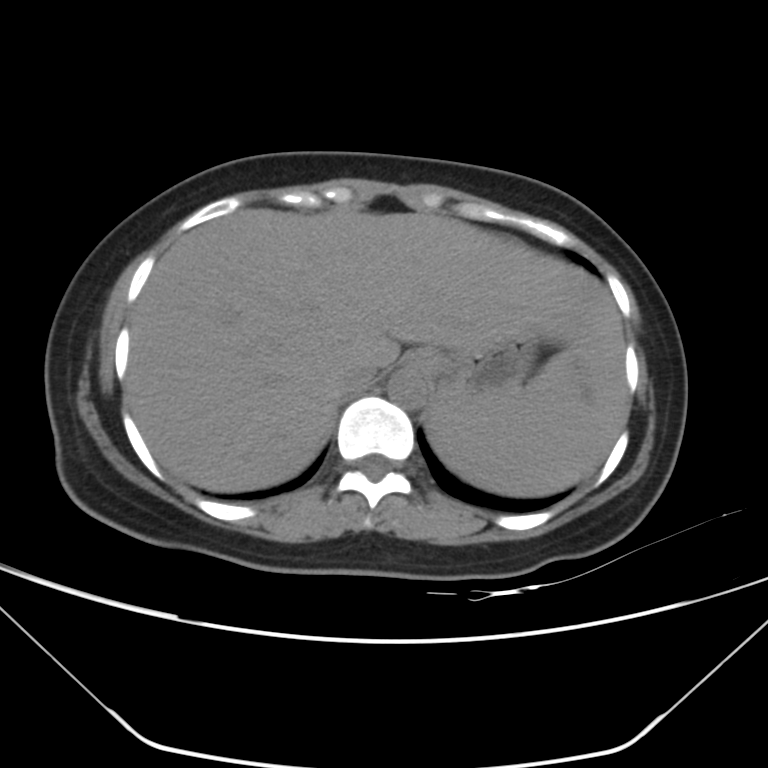

Abdominal CT. axial view. W/L 400/40 HU. 32-year-old female patient
<organs><organ name="aorta" x1="387" y1="369" x2="429" y2="408"/><organ name="stomach" x1="409" y1="335" x2="537" y2="400"/><organ name="spleen" x1="430" y1="350" x2="598" y2="496"/><organ name="esophagus" x1="404" y1="349" x2="429" y2="371"/><organ name="inferior vena cava" x1="338" y1="355" x2="378" y2="391"/><organ name="liver" x1="125" y1="208" x2="625" y2="491"/></organs>